Computed tomography, abdomen. axial view. soft-tissue window. 38-year-old female patient
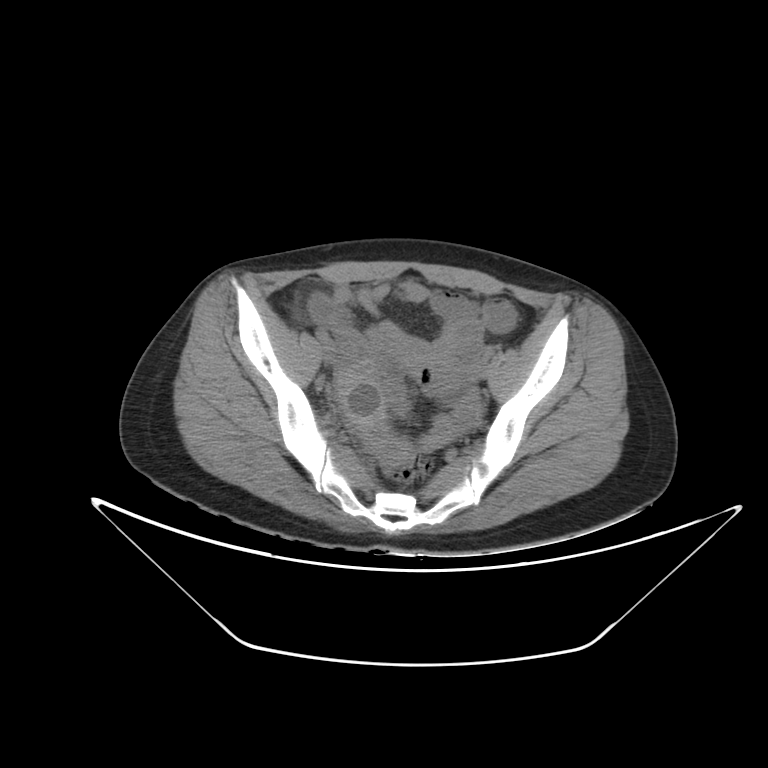
Each box given as x1,y1,x2,y2.
prostate/uterus: x1=428, y1=345, x2=471, y2=399